CT abdomen — axial view
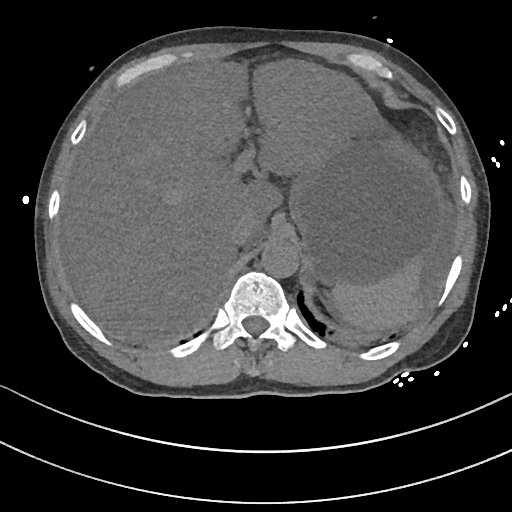 Boxes are (x1, y1, x2, y2) in pixels.
spleen: (331, 260, 421, 331)
liver: (59, 58, 375, 344)
stomach: (289, 116, 446, 284)
aorta: (261, 240, 298, 278)
inferior vena cava: (228, 219, 252, 248)